CT, abdomen/pelvis. axial plane, index 77. W/L 400/40 HU. 512x512 px
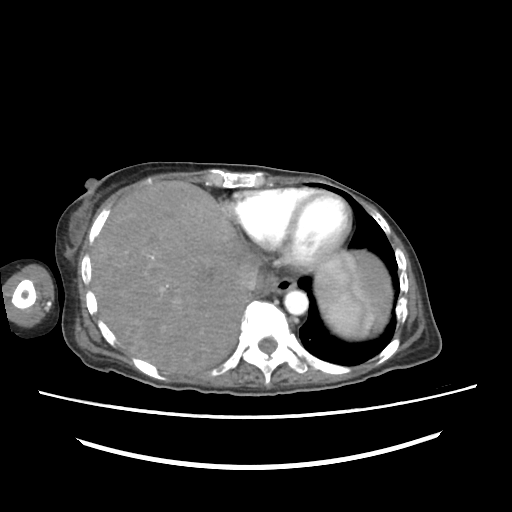 Organ boxes in pixel coordinates; each row gives the top-left (x1, y1) and bottom-right (x2, y2) corners.
| organ | x1 | y1 | x2 | y2 |
|---|---|---|---|---|
| liver | 91 | 181 | 391 | 374 |
| aorta | 284 | 290 | 308 | 314 |
| inferior vena cava | 235 | 261 | 258 | 292 |
| esophagus | 265 | 276 | 296 | 294 |
| spleen | 315 | 251 | 372 | 338 |